CT, abdomen/pelvis. Axial slice 206/218. abdomen soft-tissue window. 512x512 px
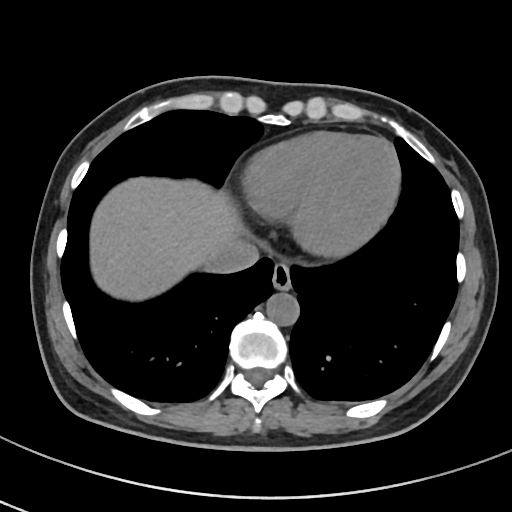
Boxes are (x1, y1, x2, y2) in pixels.
Organ bounding boxes:
- esophagus: (271, 263, 291, 291)
- liver: (91, 178, 239, 300)
- aorta: (267, 293, 300, 326)
- inferior vena cava: (208, 233, 259, 271)